Chest-level CT slice, above the liver and spleen; axial view; 512x512 px; SOMATOM Force scanner; 15 organs annotated in this scan (a whole-scan count: organs this slice does not pass through have no box)
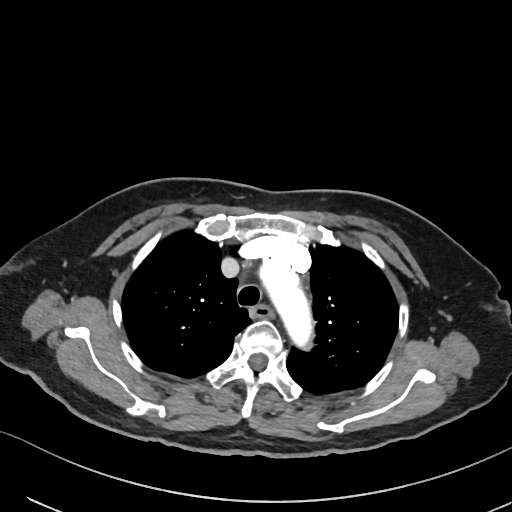 At this level of the chest this dataset labels only the esophagus and the aorta, and each is boxed only where it is labeled; the heart and lungs are never labeled.
Organ boxes in pixel coordinates; each row gives the top-left (x1, y1) and bottom-right (x2, y2) corners.
| organ | x1 | y1 | x2 | y2 |
|---|---|---|---|---|
| esophagus | 250 | 305 | 272 | 317 |
| aorta | 259 | 260 | 313 | 347 |